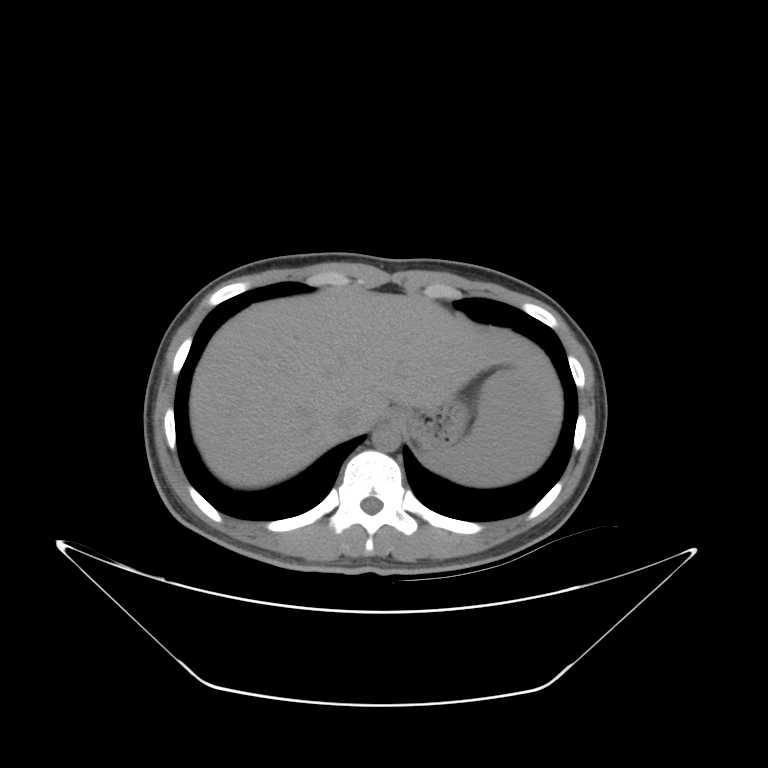
Computed tomography, abdomen; axial view; soft-tissue window; 768x768 px
Box edges are left/top/right/bottom in pixels.
Organ bounding boxes:
- spleen: left=419, top=368, right=557, bottom=484
- liver: left=188, top=287, right=563, bottom=487
- stomach: left=387, top=399, right=467, bottom=447
- aorta: left=371, top=424, right=400, bottom=452
- inferior vena cava: left=336, top=409, right=359, bottom=435